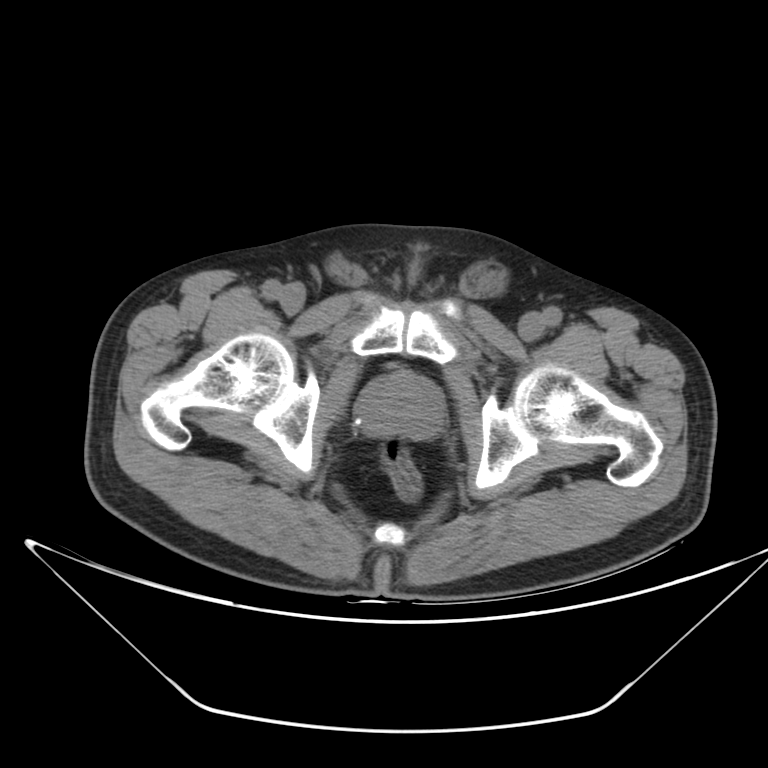

Computed tomography, abdomen; axial view; soft-tissue window
<organs><organ name="prostate/uterus" x1="357" y1="371" x2="441" y2="440"/></organs>